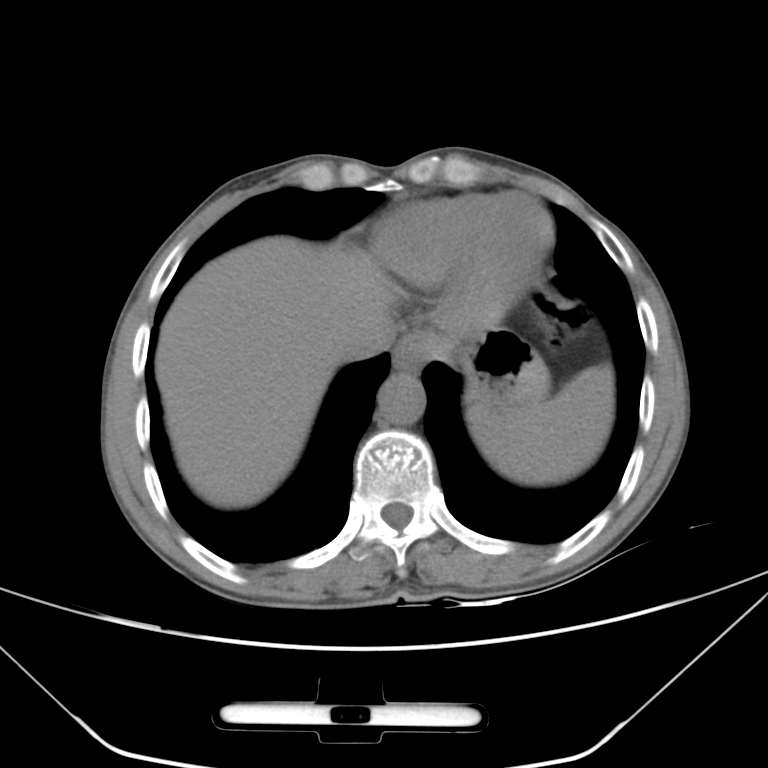
Computed tomography, abdomen. Axial slice 76/85. W/L 400/40 HU. 768x768 px
Boxes: x1:y1:x2:y2 in pixels.
Organ bounding boxes:
- spleen: 468:364:613:484
- esophagus: 394:333:455:373
- liver: 154:236:390:507
- stomach: 449:332:547:405
- aorta: 377:374:425:425
- inferior vena cava: 340:319:396:361